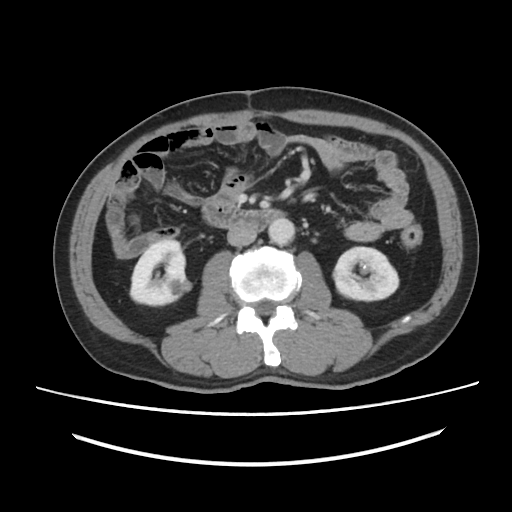

Computed tomography, abdomen — axial view — 512x512 px — acquired on Aquilion ONE
Boxes: x1 y1 x2 y2 (pixel coords, space-separated).
Organ bounding boxes:
- aorta: 268 217 294 245
- right kidney: 130 240 185 305
- inferior vena cava: 227 224 256 246
- left kidney: 333 247 398 300
- duodenum: 202 198 284 229